Computed tomography, abdomen — Axial slice 184/245 — W/L 400/40 HU — scan has 15 labeled organs (that count is for the whole scan; organs this slice misses have no box)
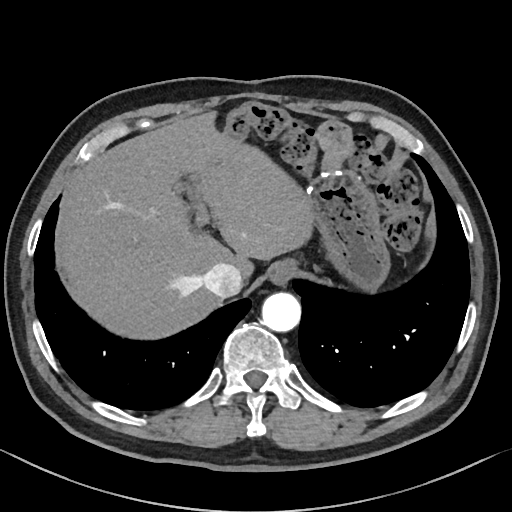 Boxes: x1 y1 x2 y2 (pixel coords, space-separated).
Organ bounding boxes:
- esophagus: 268 259 296 284
- stomach: 307 169 390 290
- aorta: 261 292 301 332
- liver: 55 112 313 339
- inferior vena cava: 202 263 242 297